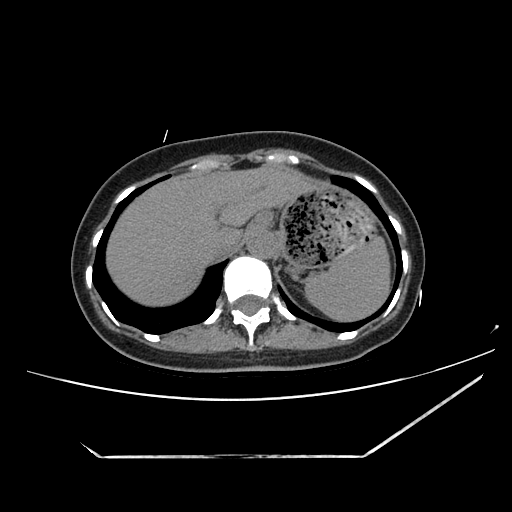

CT abdomen — axial plane, index 122
{"organs":{"spleen":[305,237,390,321],"esophagus":[253,208,273,230],"liver":[106,165,316,305],"stomach":[279,183,374,269],"aorta":[246,229,278,258],"inferior vena cava":[206,235,239,259]}}